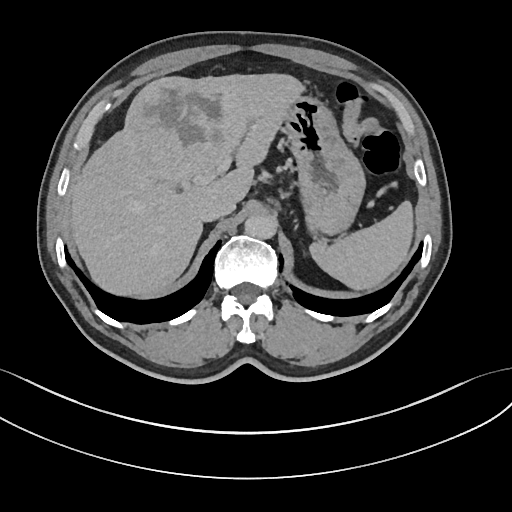 Computed tomography, abdomen; axial view; 512x512 px; 15 organs annotated in this scan (counted over the whole 3D scan, not this slice; an organ is boxed only where this slice passes through it)
Boxes: x1 y1 x2 y2 (pixel coords, space-separated). 6 labeled organs on this slice — spleen at 311 202 414 291; liver at 69 72 303 295; stomach at 282 94 364 234; aorta at 245 213 277 238; inferior vena cava at 199 195 234 221; left adrenal gland at 303 246 307 255.